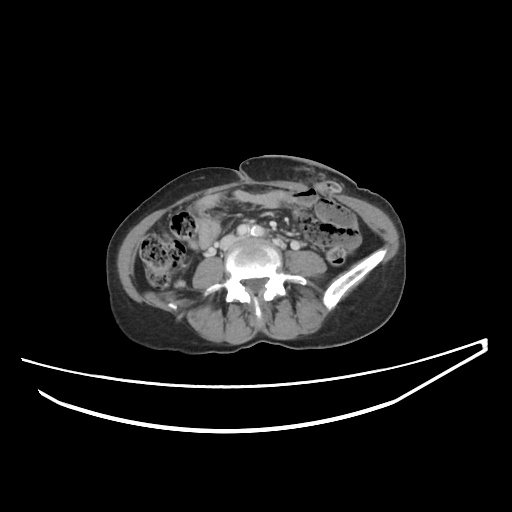
CT abdomen · Axial slice 41/116 · 62-year-old female patient
<organs><organ name="inferior vena cava" x1="221" y1="235" x2="235" y2="248"/></organs>